Computed tomography, abdomen. axial view. abdomen soft-tissue window. 15 organs annotated in this scan (counted over the whole 3D scan, not this slice; an organ is boxed only where this slice passes through it)
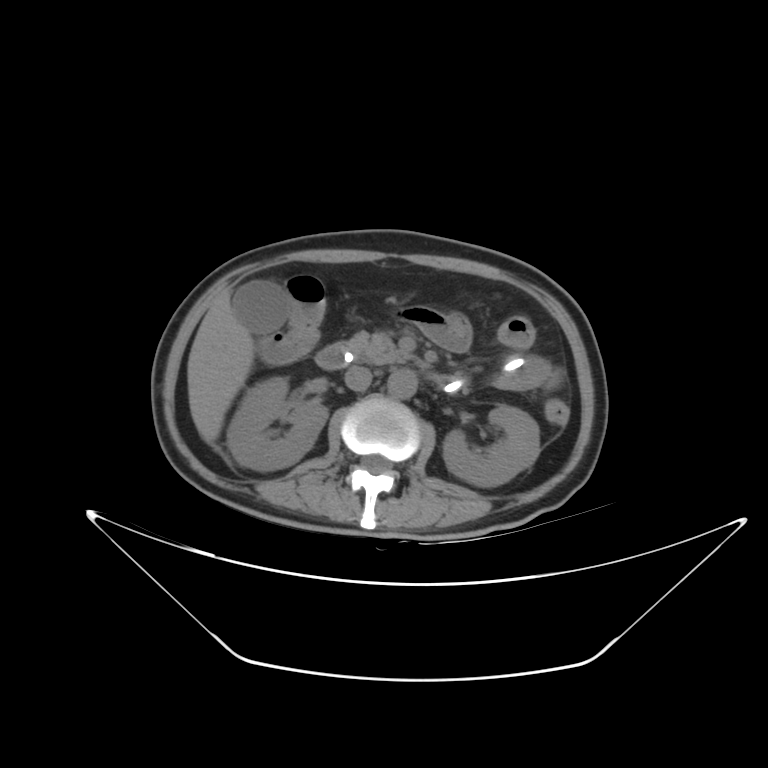

{"organs":{"liver":[187,295,254,442],"inferior vena cava":[344,365,371,390],"right kidney":[227,376,327,470],"gall bladder":[233,282,285,331],"aorta":[387,369,417,399],"duodenum":[315,342,468,393],"pancreas":[346,332,408,364],"left kidney":[443,405,539,486]}}